CT, abdomen/pelvis — axial view — soft-tissue window (W 400 / L 40) — 768x768 px
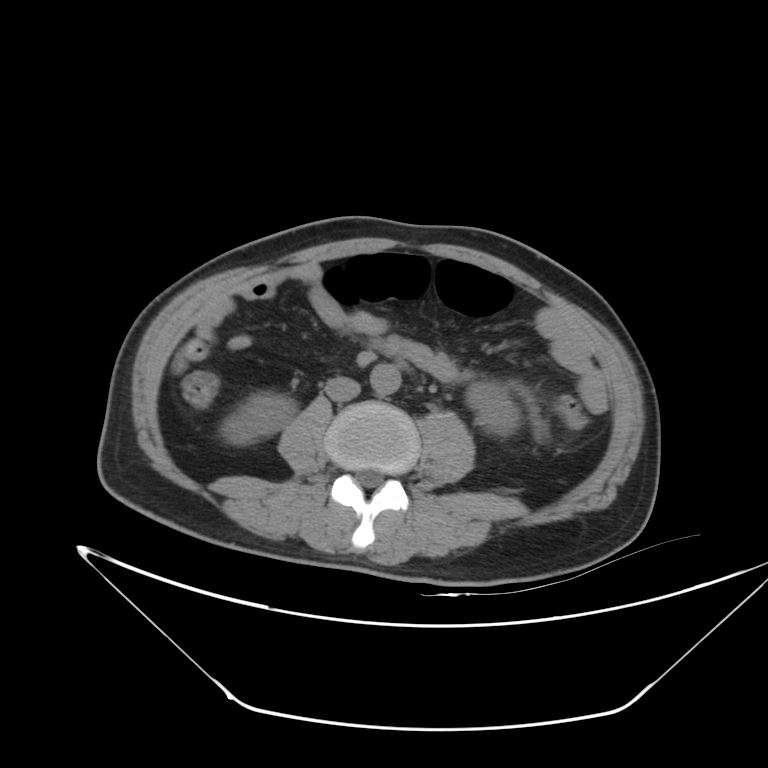
Bounding boxes in pixels, one row per box: x1, y1 is the top-left corner and x2, y2 the bottom-right.
| organ | x1 | y1 | x2 | y2 |
|---|---|---|---|---|
| right kidney | 220 | 391 | 295 | 444 |
| left kidney | 466 | 382 | 519 | 436 |
| aorta | 370 | 363 | 401 | 396 |
| inferior vena cava | 326 | 377 | 358 | 400 |